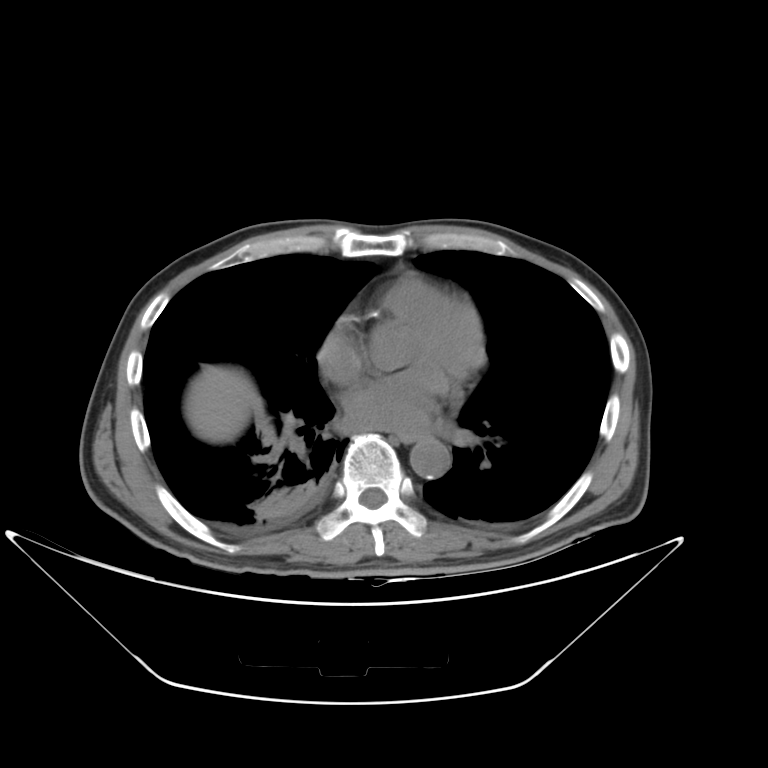 CT abdomen; axial view; W/L 400/40 HU; 768x768 px; 65-year-old male patient; acquired on Brilliance16
Coordinates as <box>x1,y1,x2,y2</box> in pixels. The annotated organs in this slice are: esophagus at <box>400,432,428,443</box>, liver at <box>189,365,261,443</box>, aorta at <box>409,437,450,478</box>.